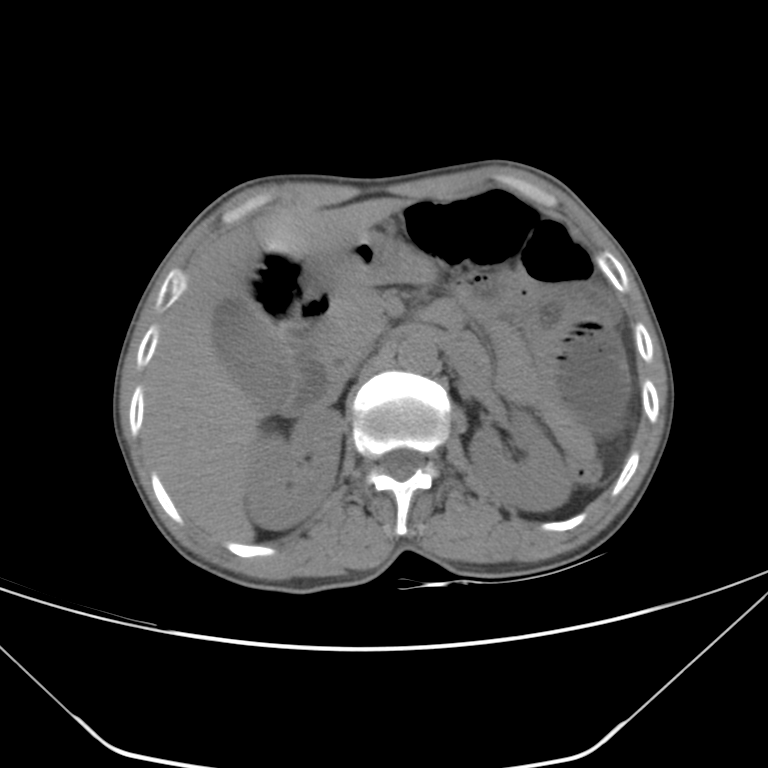

CT abdomen. axial view. 768x768 px. 15 organs annotated in this scan (a whole-scan count: organs this slice does not pass through have no box)
Coordinates as <box>x1,y1,x2,y2</box> in pixels.
duodenum: <box>238,288,338,415</box>
aorta: <box>397,332,438,373</box>
left kidney: <box>468,413,572,510</box>
gall bladder: <box>213,295,293,412</box>
pancreas: <box>317,285,385,370</box>
stomach: <box>309,231,433,297</box>
right kidney: <box>245,407,343,529</box>
inferior vena cava: <box>335,348,367,388</box>
liver: <box>144,198,405,542</box>